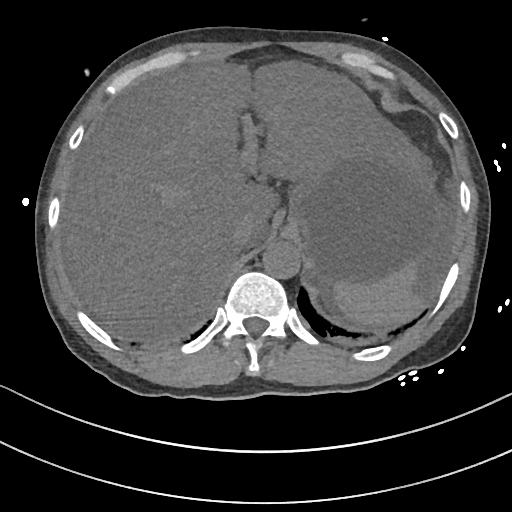

Computed tomography, abdomen — Axial slice 201/252 — soft-tissue window — 512x512 px
Boxes are (x1, y1, x2, y2) in pixels.
stomach: (287, 144, 445, 287)
inferior vena cava: (230, 219, 254, 251)
spleen: (333, 265, 421, 326)
aorta: (262, 241, 300, 279)
liver: (61, 61, 432, 342)